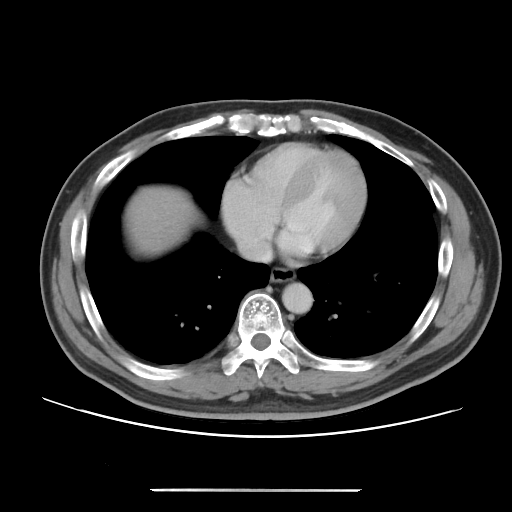
Abdominal CT. axial plane, index 94. W/L 400/40 HU. 512x512 px
Box edges are left/top/right/bottom in pixels. 4 labeled organs on this slice — esophagus at left=270, top=267, right=295, bottom=282; liver at left=124, top=185, right=200, bottom=254; aorta at left=282, top=282, right=313, bottom=313; inferior vena cava at left=237, top=236, right=273, bottom=262.